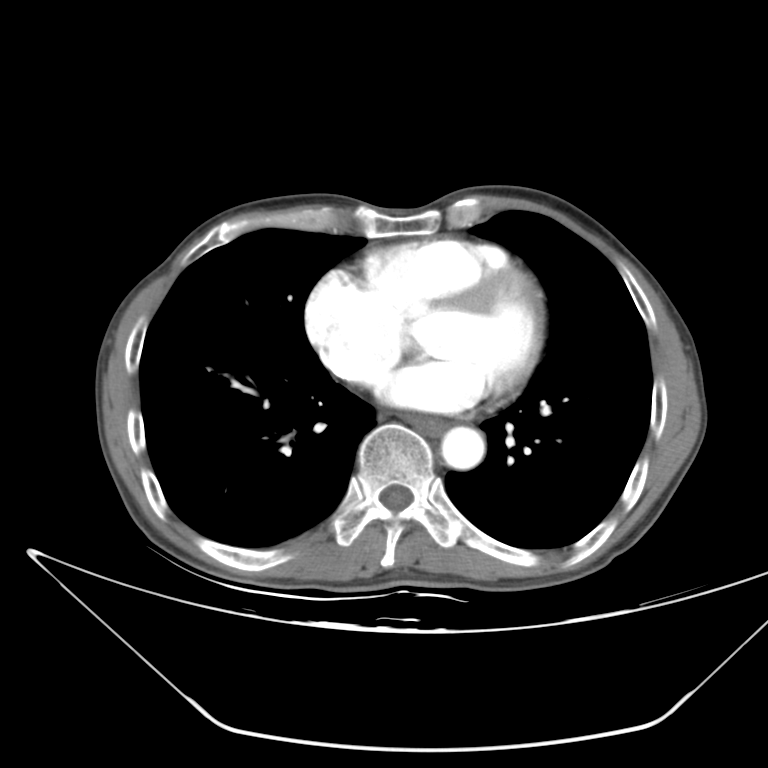

Lower-chest slice from an abdominal CT, just above the liver and spleen. axial plane, index 65
Of the structures in the chest, this dataset labels only the esophagus, the aorta and the inferior vena cava; the heart and lungs have no label.
Coordinates as <box>x1,y1,x2,y2</box> in pixels.
Organ bounding boxes:
- esophagus: <box>407,416,447,434</box>
- aorta: <box>441,426,484,469</box>